Lower-chest slice from an abdominal CT, just above the liver and spleen — axial view
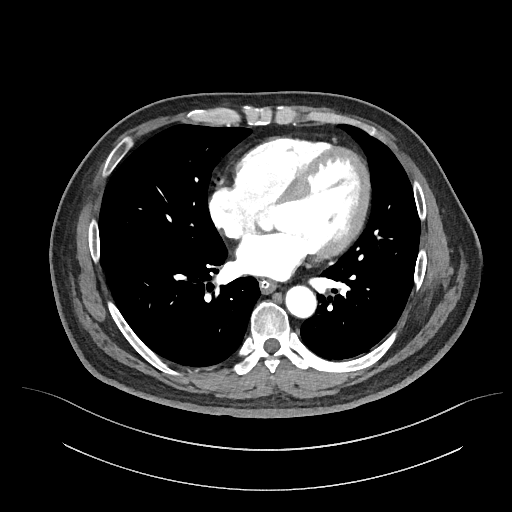

Of the structures in the chest, this dataset labels only the esophagus, the aorta and the inferior vena cava; the heart and lungs have no label.
Organ boxes in pixel coordinates; each row gives the top-left (x1, y1) and bottom-right (x2, y2) corners.
| organ | x1 | y1 | x2 | y2 |
|---|---|---|---|---|
| esophagus | 260 | 281 | 276 | 293 |
| aorta | 286 | 287 | 316 | 318 |